CT, abdomen/pelvis; axial view; 512x512 px; 15 organs annotated in this scan (that count is for the whole scan; organs this slice misses have no box)
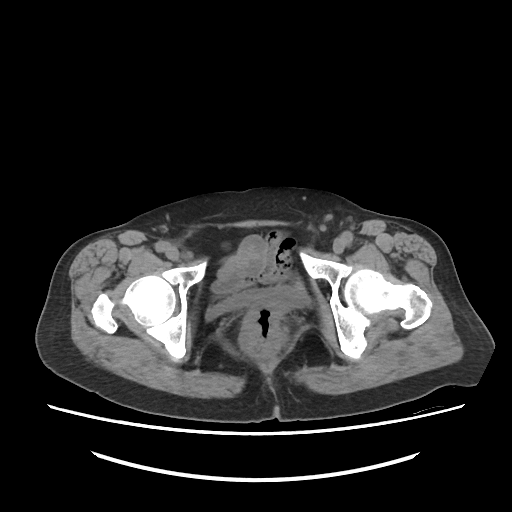

Boxes are (x1, y1, x2, y2) in pixels. Labeled organs on this slice: bladder at (206, 289, 311, 319).